CT, abdomen/pelvis. Axial slice 138/224. W/L 400/40 HU. 512x512 px. scan has 15 labeled organs (counted over the whole 3D scan, not this slice; an organ is boxed only where this slice passes through it)
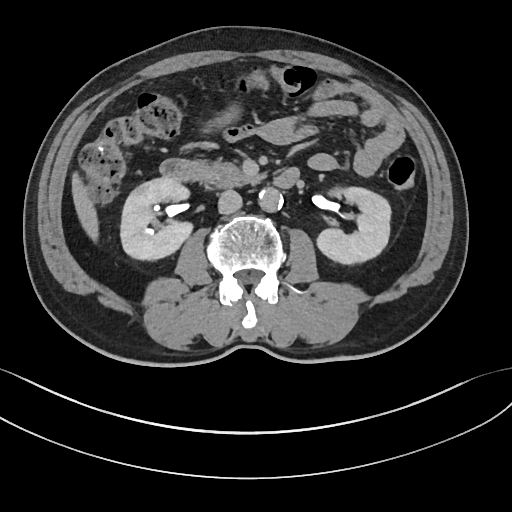 <organs><organ name="right kidney" x1="121" y1="178" x2="194" y2="261"/><organ name="left kidney" x1="315" y1="186" x2="390" y2="265"/><organ name="liver" x1="71" y1="169" x2="98" y2="240"/><organ name="stomach" x1="201" y1="105" x2="241" y2="131"/><organ name="aorta" x1="259" y1="188" x2="283" y2="211"/><organ name="inferior vena cava" x1="218" y1="189" x2="241" y2="214"/><organ name="pancreas" x1="210" y1="161" x2="262" y2="187"/><organ name="duodenum" x1="159" y1="159" x2="299" y2="188"/></organs>